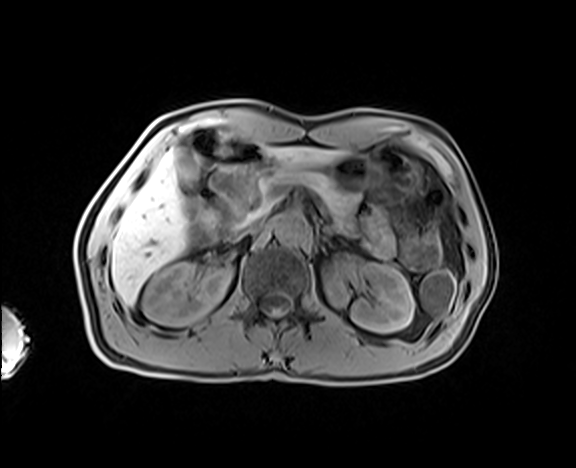

Abdominal MR · axial view · 576x468 px
Boxes: x1 y1 x2 y2 (pixel coords, space-separated).
Organ bounding boxes:
- right kidney: 142 263 231 325
- left kidney: 324 256 414 332
- gall bladder: 177 151 198 187
- liver: 111 147 344 305
- stomach: 274 151 418 202
- aorta: 275 213 308 244
- inferior vena cava: 236 219 262 238
- pancreas: 262 170 359 224